CT, abdomen/pelvis; axial plane, index 32; soft-tissue window (W 400 / L 40); acquired on SOMATOM Force
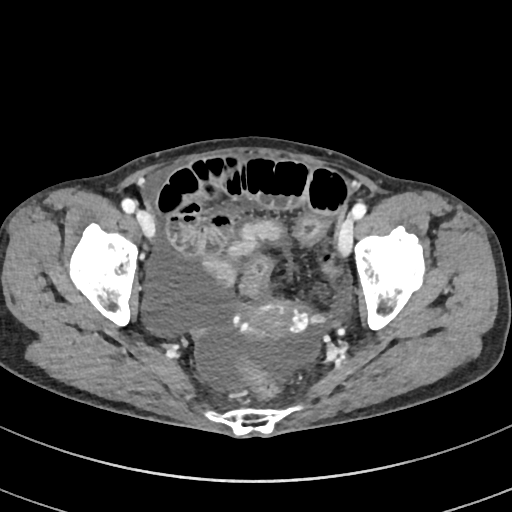 {"organs":{"prostate/uterus":[240,302,297,341]}}